Abdominal CT. axial view. 60-year-old female patient
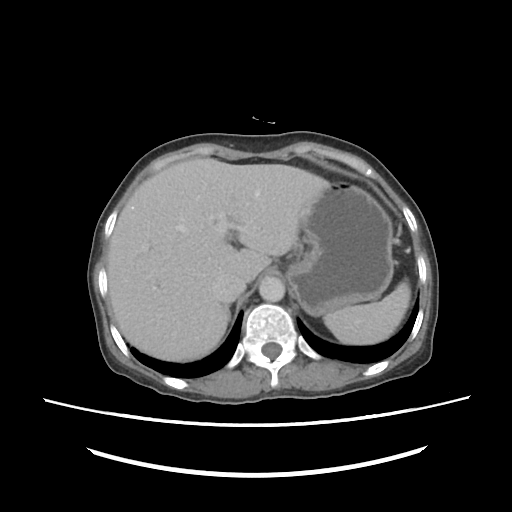 <organs><organ name="spleen" x1="324" y1="280" x2="411" y2="343"/><organ name="liver" x1="107" y1="158" x2="328" y2="360"/><organ name="stomach" x1="287" y1="181" x2="394" y2="316"/><organ name="aorta" x1="258" y1="277" x2="284" y2="300"/><organ name="inferior vena cava" x1="212" y1="273" x2="246" y2="302"/><organ name="right adrenal gland" x1="222" y1="304" x2="230" y2="320"/></organs>